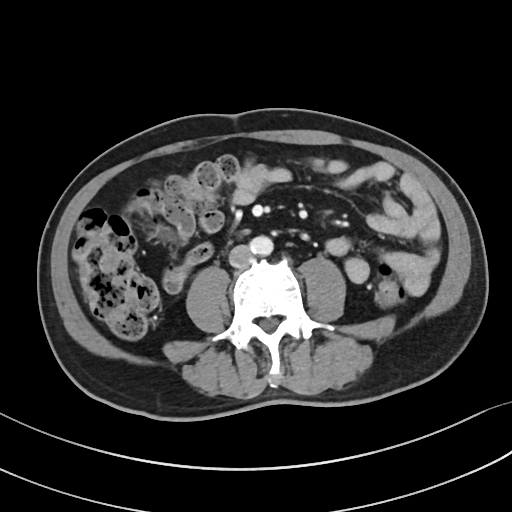
CT, abdomen/pelvis · axial view · 512x512 px
<organs><organ name="aorta" x1="249" y1="236" x2="273" y2="255"/><organ name="inferior vena cava" x1="228" y1="245" x2="253" y2="267"/></organs>